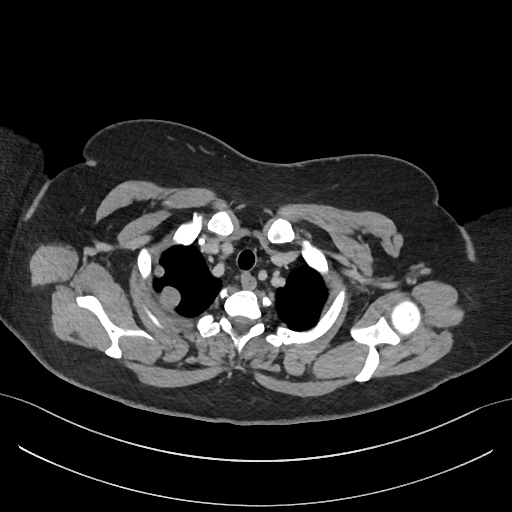 CT of the abdomen extending into the chest, slice through the chest. axial view. soft-tissue window
On a slice this high in the chest, this dataset labels only the esophagus and the aorta, and each is boxed only where it is labeled; the heart, lungs and other chest structures are not labeled.
Organ boxes in pixel coordinates; each row gives the top-left (x1, y1) and bottom-right (x2, y2) corners.
| organ | x1 | y1 | x2 | y2 |
|---|---|---|---|---|
| esophagus | 242 | 273 | 256 | 290 |